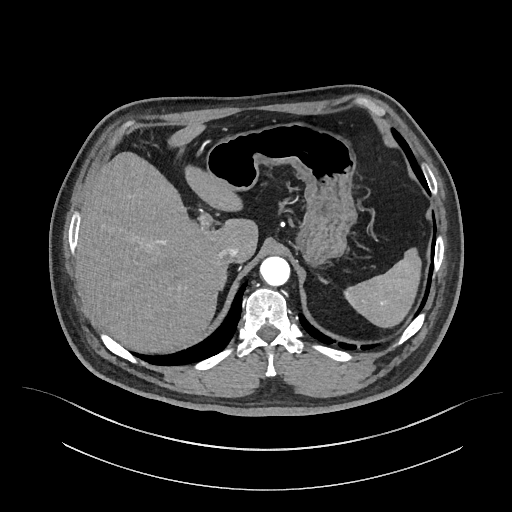

CT, abdomen/pelvis · axial view · 512x512 px
<organs><organ name="spleen" x1="342" y1="249" x2="421" y2="326"/><organ name="liver" x1="77" y1="124" x2="258" y2="351"/><organ name="stomach" x1="206" y1="121" x2="357" y2="267"/><organ name="aorta" x1="260" y1="257" x2="290" y2="286"/><organ name="inferior vena cava" x1="219" y1="245" x2="238" y2="264"/><organ name="right adrenal gland" x1="219" y1="273" x2="226" y2="289"/></organs>